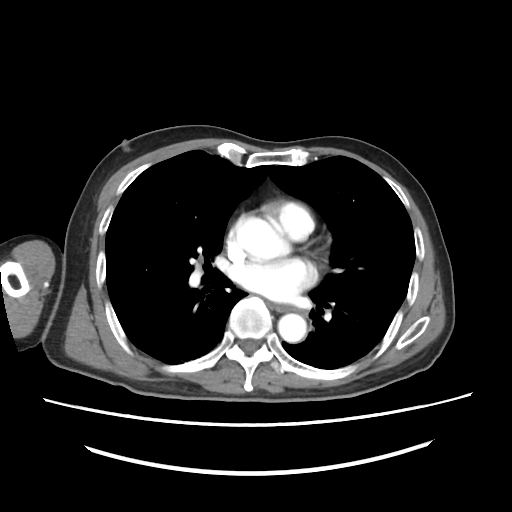

Abdominal CT reaching into the chest; this slice is in the chest. axial plane, index 102. 512x512 px
On a slice this high in the chest, this dataset labels only the esophagus and the aorta, and each is boxed only where it is labeled; the heart, lungs and other chest structures are not labeled.
Organ boxes in pixel coordinates; each row gives the top-left (x1, y1) and bottom-right (x2, y2) corners.
| organ | x1 | y1 | x2 | y2 |
|---|---|---|---|---|
| esophagus | 268 | 302 | 301 | 312 |
| aorta | 238 | 219 | 291 | 261 |
| aorta | 278 | 313 | 307 | 341 |